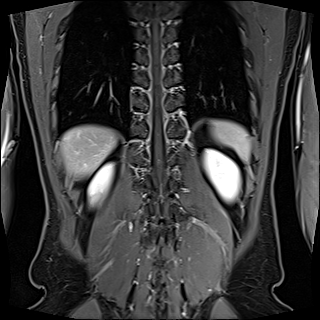 Magnetic resonance imaging, abdomen. coronal acquisition. 1st–99th percentile window
{"organs":{"spleen":[211,120,250,160],"right kidney":[88,163,113,201],"left kidney":[204,149,240,200],"liver":[61,125,116,177]}}